Computed tomography, abdomen · axial view · W/L 400/40 HU · 512x512 px
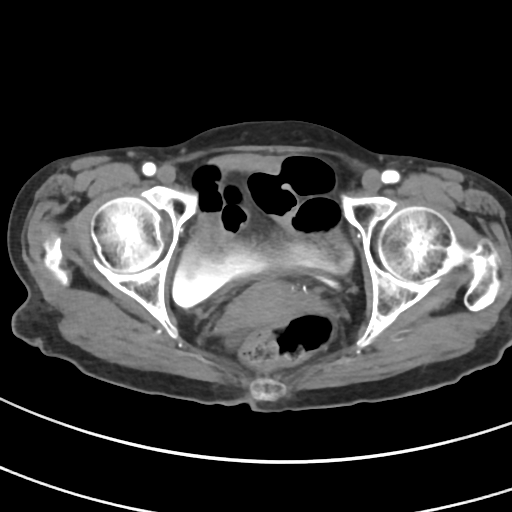

<organs><organ name="bladder" x1="172" y1="213" x2="351" y2="307"/><organ name="prostate/uterus" x1="226" y1="280" x2="308" y2="328"/></organs>